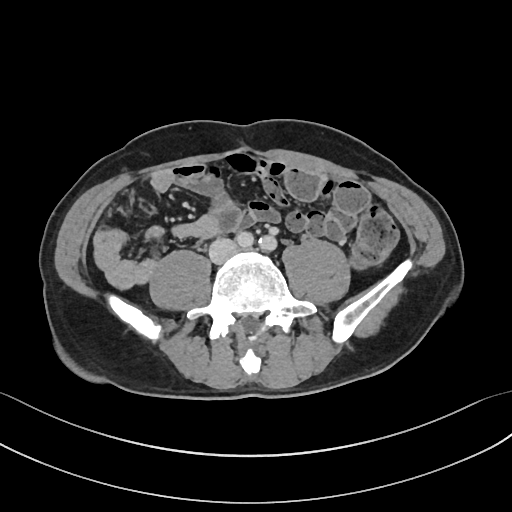
Computed tomography, abdomen; axial view; W/L 400/40 HU; scan has 14 labeled organs (that count is for the whole scan; organs this slice misses have no box)
{"organs":{"inferior vena cava":[209,239,237,263]}}